Abdominal CT reaching into the chest; this slice is in the chest. axial view. soft-tissue window, W/L 400/40. 512x512 px. 47-year-old male patient. Aquilion ONE scanner
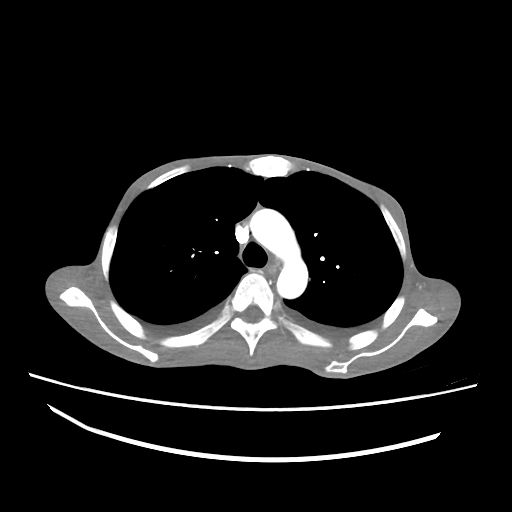

On a slice this high in the chest, this dataset labels only the esophagus and the aorta, and each is boxed only where it is labeled; the heart, lungs and other chest structures are not labeled.
{"organs":{"esophagus":[269,266,278,276],"aorta":[250,209,307,298]}}